CT abdomen · axial view · W/L 400/40 HU · 512x512 px · 14 organs annotated in this scan (a whole-scan count: organs this slice does not pass through have no box)
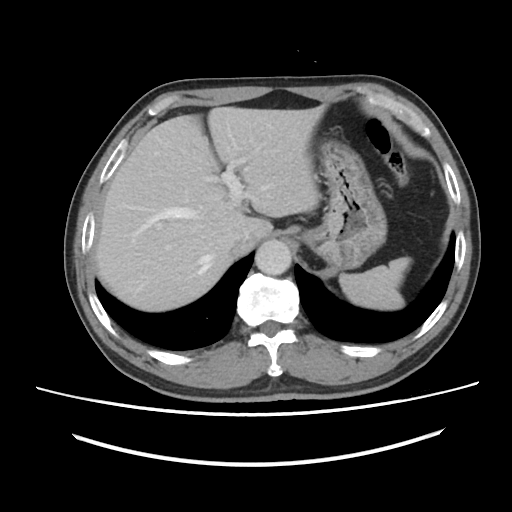
<organs><organ name="spleen" x1="339" y1="257" x2="411" y2="310"/><organ name="liver" x1="94" y1="106" x2="324" y2="311"/><organ name="stomach" x1="302" y1="140" x2="386" y2="269"/><organ name="aorta" x1="255" y1="240" x2="291" y2="275"/><organ name="inferior vena cava" x1="230" y1="232" x2="257" y2="255"/></organs>